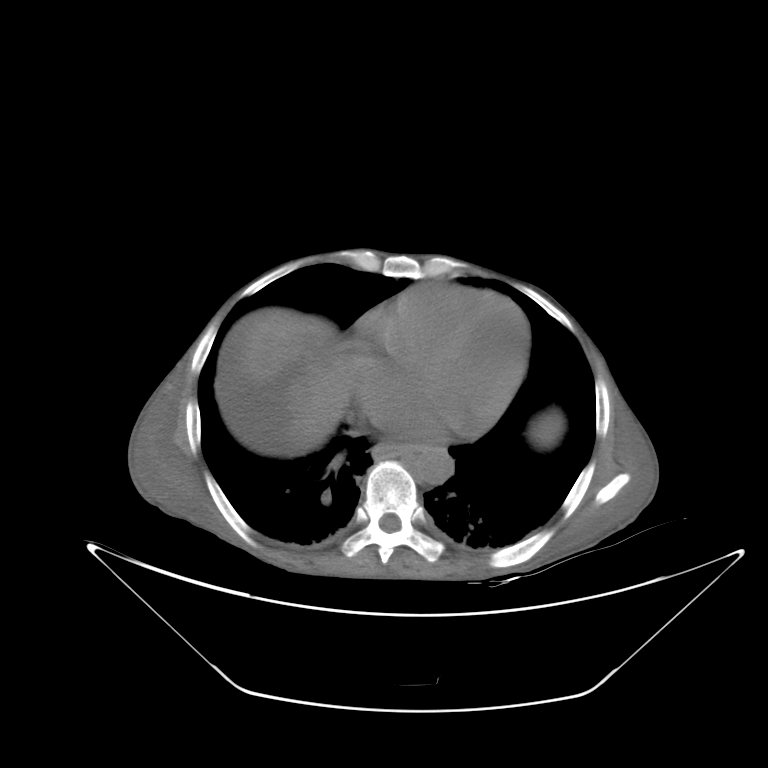
CT, abdomen/pelvis. axial view
{"organs":{"esophagus":[375,442,421,460],"liver":[227,308,563,448],"aorta":[414,446,454,485]}}